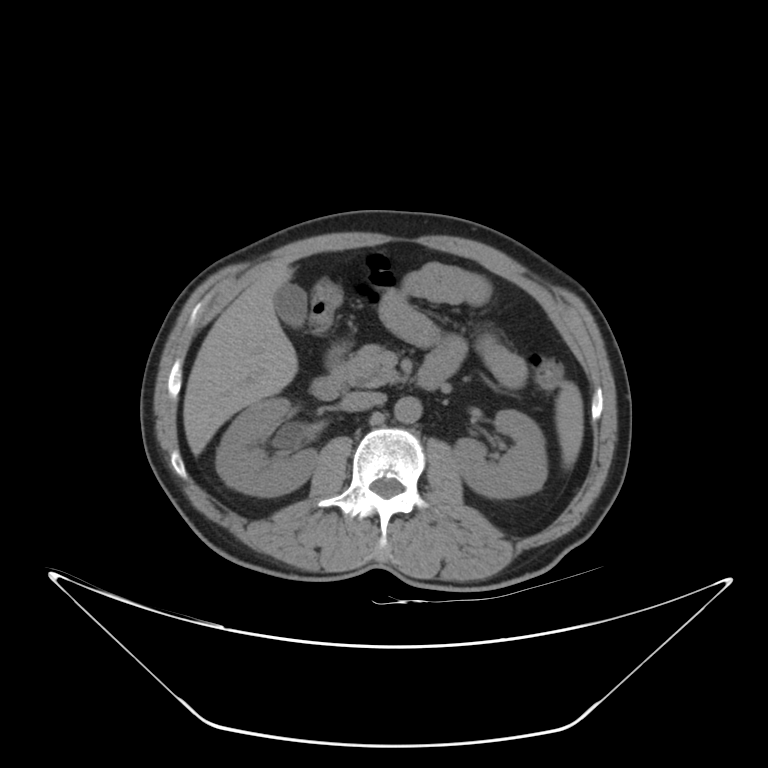

CT, abdomen/pelvis. axial view. 15 organs annotated in this scan (that count is for the whole scan; organs this slice misses have no box)
{"organs":{"spleen":[555,381,583,468],"right kidney":[216,398,318,496],"left kidney":[453,410,547,497],"gall bladder":[274,283,306,326],"liver":[182,264,297,455],"aorta":[394,397,422,423],"inferior vena cava":[342,392,384,411],"pancreas":[333,344,401,387],"duodenum":[310,343,448,400]}}